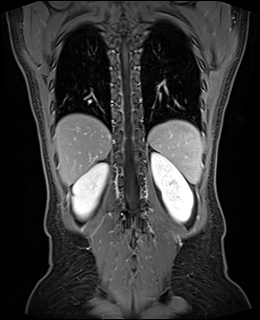
Abdominal MRI; coronal view; 1st–99th percentile window
Boxes: x1 y1 x2 y2 (pixel coords, space-separated).
Organ bounding boxes:
- left kidney: 151 152 193 222
- liver: 54 114 111 185
- right kidney: 72 162 108 218
- spleen: 148 120 202 184